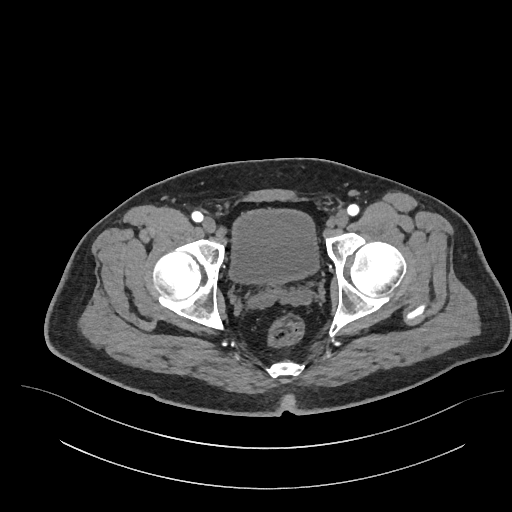
CT abdomen — axial view
Bounding boxes as [x1, y1, x2, y2] in pixel coordinates. Labeled organs on this slice: bladder at [228, 208, 319, 285].